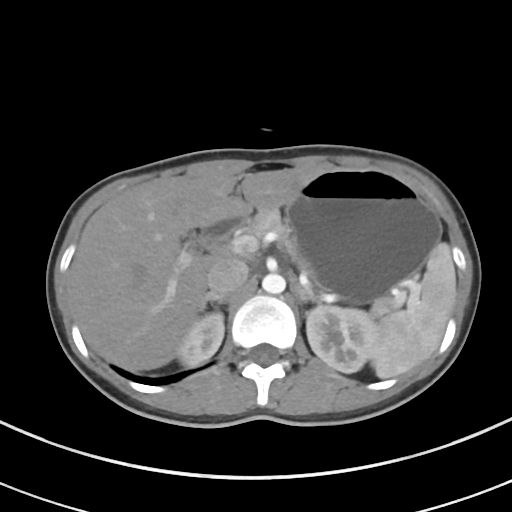
CT abdomen; Axial slice 62/121; W/L 400/40 HU
<organs><organ name="duodenum" x1="201" y1="218" x2="243" y2="245"/><organ name="inferior vena cava" x1="207" y1="257" x2="248" y2="295"/><organ name="right adrenal gland" x1="199" y1="292" x2="227" y2="310"/><organ name="right kidney" x1="177" y1="312" x2="224" y2="365"/><organ name="spleen" x1="370" y1="242" x2="456" y2="378"/><organ name="stomach" x1="286" y1="168" x2="441" y2="302"/><organ name="liver" x1="67" y1="168" x2="320" y2="370"/><organ name="left adrenal gland" x1="293" y1="281" x2="320" y2="304"/><organ name="aorta" x1="262" y1="273" x2="285" y2="294"/><organ name="pancreas" x1="248" y1="209" x2="288" y2="241"/><organ name="left kidney" x1="306" y1="305" x2="379" y2="373"/></organs>